CT abdomen · axial view · scan has 15 labeled organs (counted over the whole 3D scan, not this slice; an organ is boxed only where this slice passes through it)
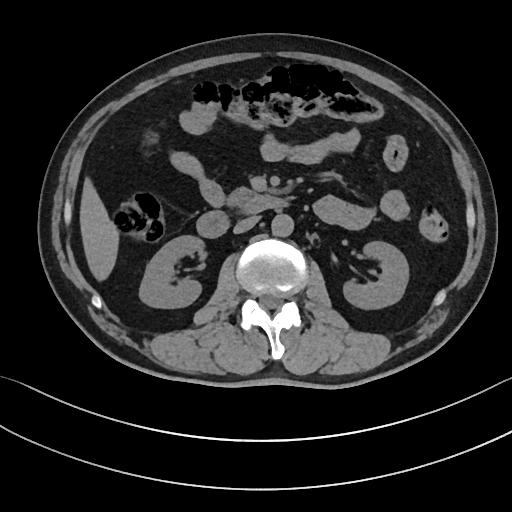 Each box given as x1,y1,x2,y2.
Organ bounding boxes:
- right kidney: x1=139, y1=235, x2=203, y2=307
- left kidney: x1=343, y1=241, x2=409, y2=309
- liver: x1=80, y1=177, x2=118, y2=281
- aorta: x1=271, y1=214, x2=293, y2=236
- inferior vena cava: x1=233, y1=215, x2=259, y2=233
- pancreas: x1=227, y1=187, x2=252, y2=205
- duodenum: x1=196, y1=194, x2=288, y2=237